CT, abdomen/pelvis — axial view — soft-tissue window
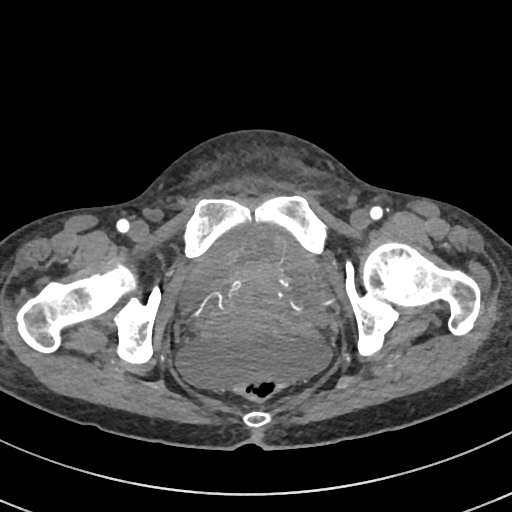 <organs><organ name="bladder" x1="181" y1="223" x2="320" y2="384"/><organ name="prostate/uterus" x1="227" y1="261" x2="286" y2="316"/></organs>